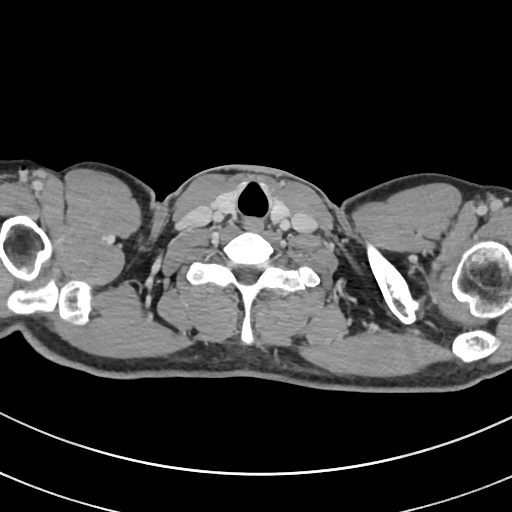
Chest-level slice from an abdominal CT that extends up into the chest — axial view — SOMATOM Force scanner
At this level of the chest this dataset labels only the esophagus and the aorta, and each is boxed only where it is labeled; the heart and lungs are never labeled.
Boxes: x1 y1 x2 y2 (pixel coords, space-separated).
Organ bounding boxes:
- esophagus: 242 218 261 231